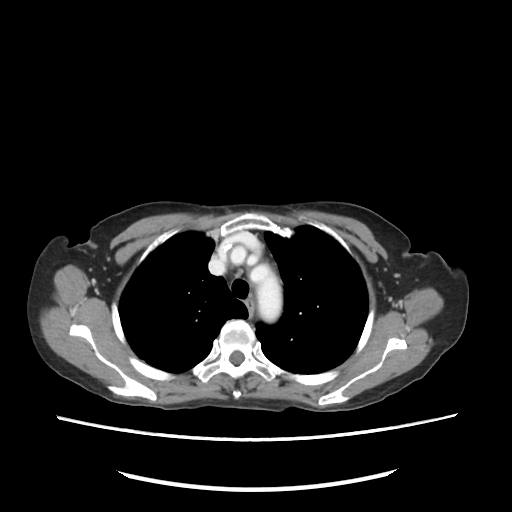 Chest-level CT slice, above the liver and spleen; axial view; Aquilion ONE scanner; 15 organs annotated in this scan (a whole-scan count: organs this slice does not pass through have no box)
At this level of the chest this dataset labels only the esophagus and the aorta, and each is boxed only where it is labeled; the heart and lungs are never labeled. Boxes: x1:y1:x2:y2 in pixels. The annotated organs in this slice are: aorta at 250:262:282:321.